CT abdomen — axial plane, index 57 — acquired on Aquilion ONE
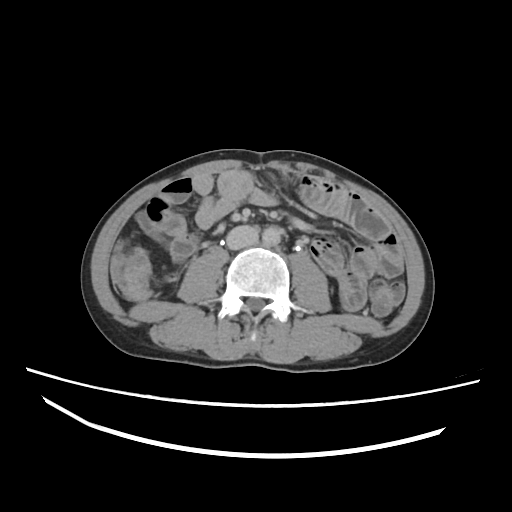 Bounding boxes in pixels, one row per box: x1, y1 is the top-left corner and x2, y2 the bottom-right.
| organ | x1 | y1 | x2 | y2 |
|---|---|---|---|---|
| aorta | 262 | 225 | 282 | 245 |
| inferior vena cava | 226 | 225 | 259 | 249 |